Abdominal CT · axial view · abdomen soft-tissue window · 512x512 px
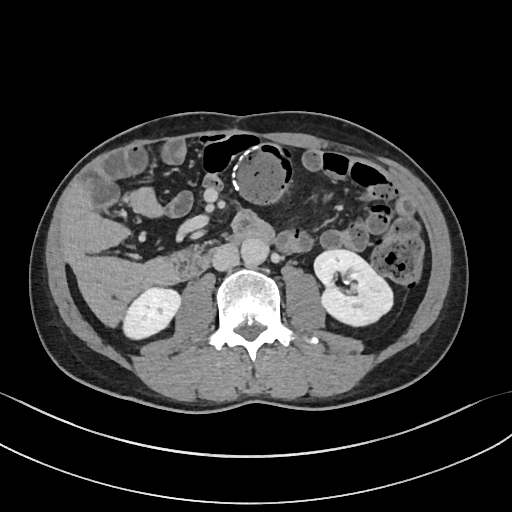 Bounding boxes as [x1, y1, x2, y2] in pixel coordinates. The annotated organs in this slice are: inferior vena cava at [212, 243, 238, 271], right kidney at [123, 286, 182, 340], left kidney at [314, 250, 393, 327], aorta at [241, 238, 269, 266].